Abdominal CT · axial view · 76-year-old female patient · acquired on Aquilion ONE
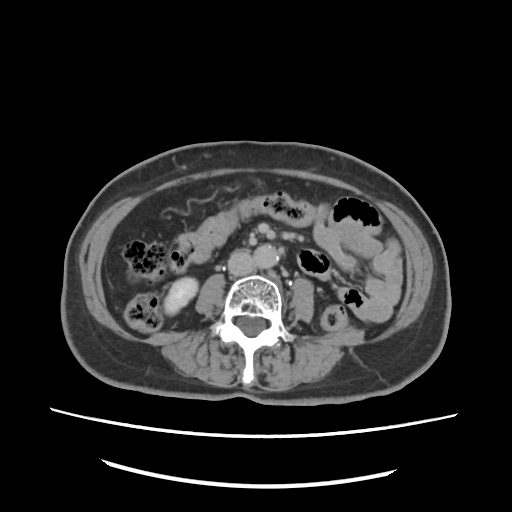 Coordinates as <box>x1,y1,x2,y2</box> in pixels.
Organ bounding boxes:
- inferior vena cava: <box>228,253,253,277</box>
- right kidney: <box>165,277,196,314</box>
- aorta: <box>253,245,279,268</box>